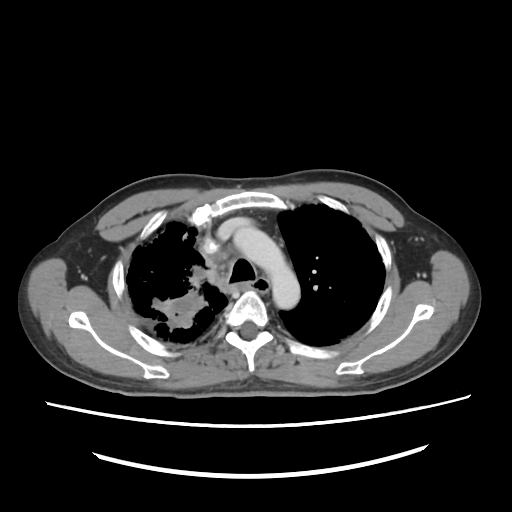
Chest-level slice from an abdominal CT that extends up into the chest; axial view
At this level of the chest no structure but the esophagus and the aorta has a label in this dataset, and those two are boxed only where they are labeled.
<organs><organ name="aorta" x1="234" y1="228" x2="299" y2="308"/></organs>